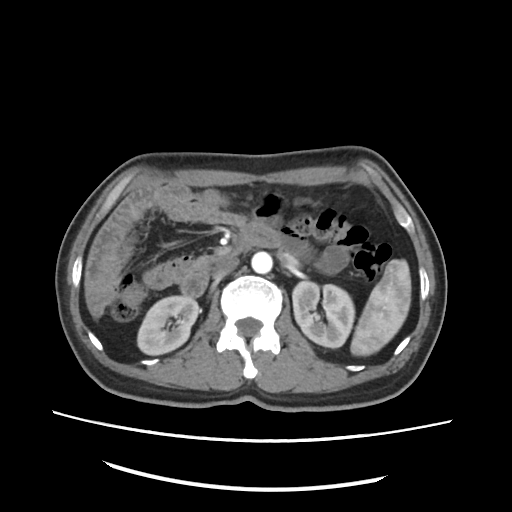
CT, abdomen/pelvis; axial view; soft-tissue window (W 400 / L 40); acquired on Aquilion ONE; scan has 15 labeled organs (counted over the whole 3D scan, not this slice; an organ is boxed only where this slice passes through it)
Bounding boxes as [x1, y1, x2, y2] in pixel coordinates.
Organ bounding boxes:
- spleen: [350, 167, 461, 354]
- right kidney: [136, 295, 199, 354]
- left kidney: [292, 280, 354, 349]
- aorta: [251, 252, 272, 274]
- inferior vena cava: [213, 257, 238, 279]
- duodenum: [181, 222, 278, 297]